Abdominal CT; axial plane, index 20
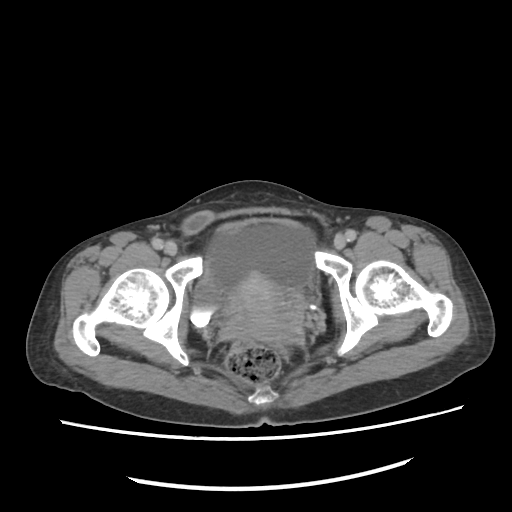

Bounding boxes as [x1, y1, x2, y2] in pixel coordinates. 2 labeled organs on this slice — bladder at [191, 264, 224, 327]; prostate/uterus at [230, 273, 300, 340].